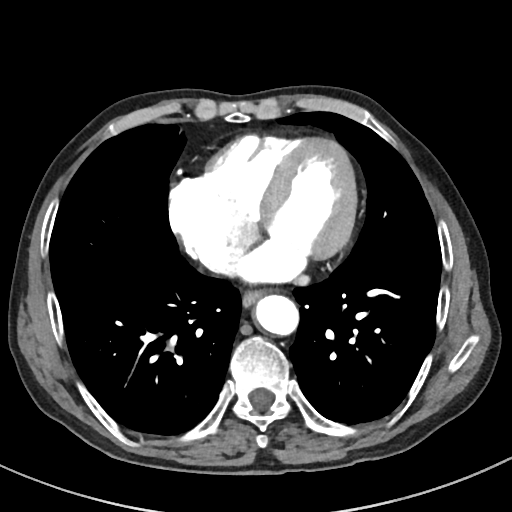 Lower-chest slice from an abdominal CT, just above the liver and spleen; axial plane, index 218; soft-tissue window; scan has 15 labeled organs (that count is for the whole scan; organs this slice misses have no box)
No part of the heart or lungs is labeled in this dataset, so neither has a box here.
Bounding boxes as [x1, y1, x2, y2] in pixel coordinates.
esophagus: [242, 290, 264, 309]
aorta: [255, 295, 299, 336]